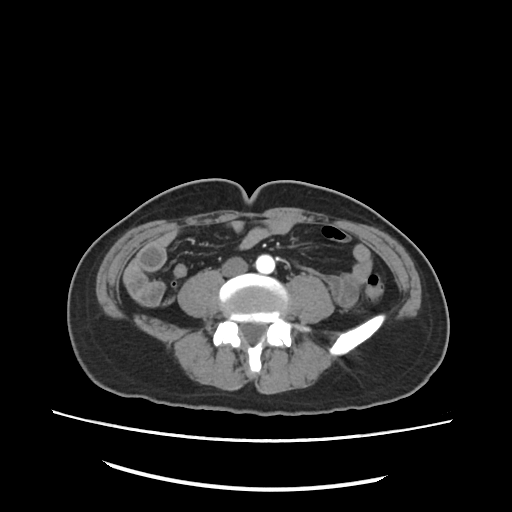
Abdominal CT — axial view — abdomen soft-tissue window — 54-year-old male patient
{"organs":{"aorta":[256,254,276,274],"inferior vena cava":[220,256,247,277]}}